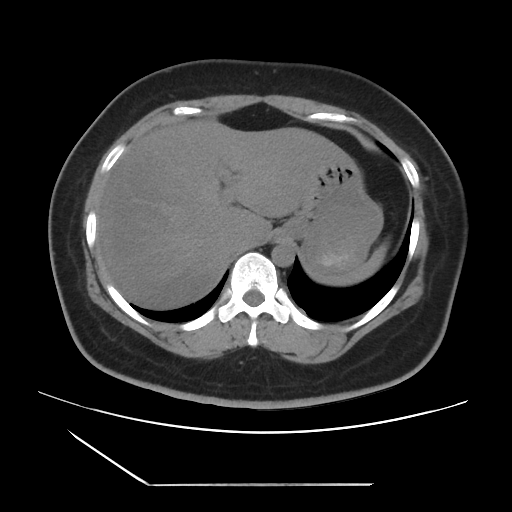
CT, abdomen/pelvis · axial plane, index 73 · W/L 400/40 HU · scan has 15 labeled organs (counted over the whole 3D scan, not this slice; an organ is boxed only where this slice passes through it)
<organs><organ name="spleen" x1="309" y1="246" x2="386" y2="286"/><organ name="stomach" x1="276" y1="160" x2="383" y2="276"/><organ name="liver" x1="97" y1="119" x2="351" y2="309"/><organ name="aorta" x1="271" y1="241" x2="294" y2="266"/><organ name="inferior vena cava" x1="225" y1="234" x2="243" y2="251"/></organs>